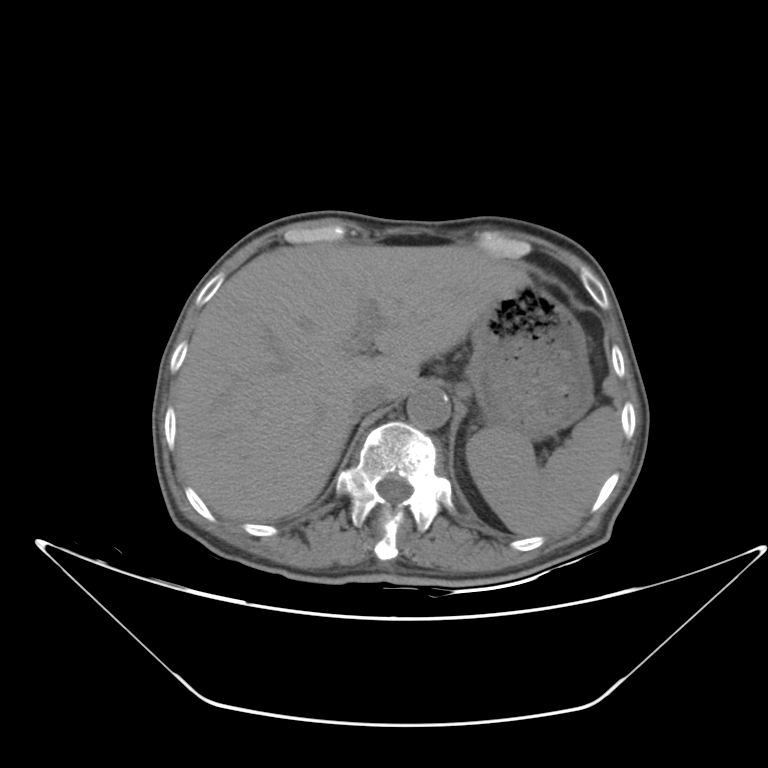

Abdominal CT. Axial slice 75/90. 768x768 px
{"organs":{"spleen":[467,407,622,538],"liver":[175,243,527,521],"stomach":[465,282,593,441],"aorta":[406,385,449,430],"inferior vena cava":[352,382,385,410]}}